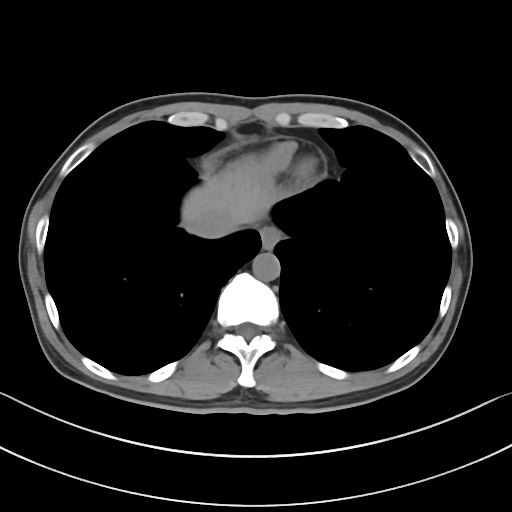
Computed tomography, abdomen; axial view; soft-tissue window; 15 organs annotated in this scan (a whole-scan count: organs this slice does not pass through have no box)
Boxes are (x1, y1, x2, y2) in pixels. Labeled organs on this slice: liver at (182, 170, 272, 230), inferior vena cava at (187, 209, 234, 238), esophagus at (259, 226, 281, 249), aorta at (253, 253, 280, 281).